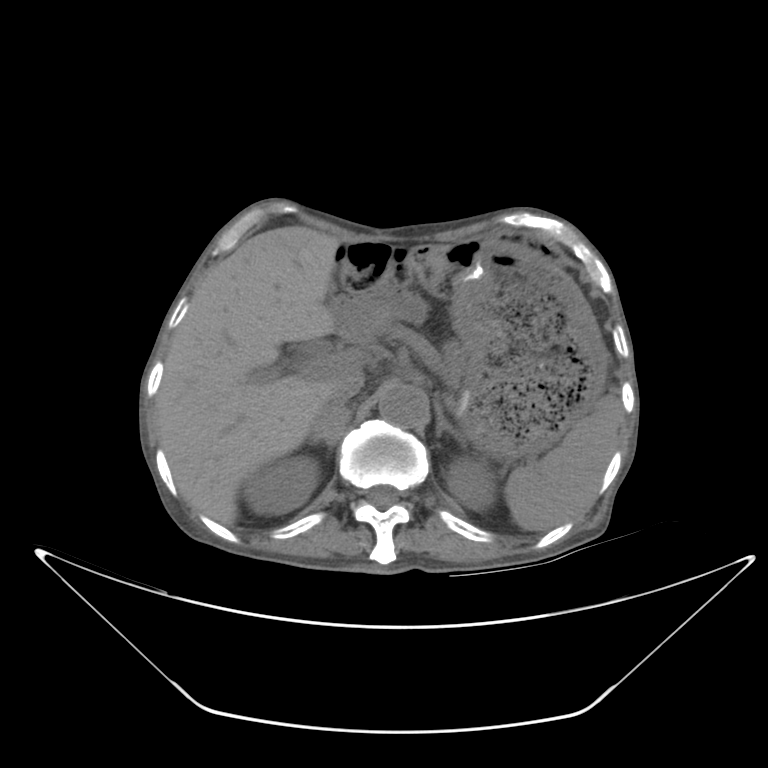 Computed tomography, abdomen · axial view · W/L 400/40 HU · 68-year-old male patient
Bounding boxes in pixels, one row per box: x1, y1 is the top-left corner and x2, y2 the bottom-right.
| organ | x1 | y1 | x2 | y2 |
|---|---|---|---|---|
| spleen | 505 | 396 | 621 | 530 |
| right kidney | 243 | 456 | 317 | 514 |
| left kidney | 447 | 459 | 491 | 507 |
| liver | 157 | 225 | 340 | 522 |
| stomach | 450 | 242 | 604 | 457 |
| aorta | 379 | 388 | 426 | 428 |
| inferior vena cava | 316 | 376 | 363 | 416 |
| pancreas | 443 | 342 | 460 | 387 |
| right adrenal gland | 310 | 407 | 351 | 445 |
| left adrenal gland | 434 | 402 | 468 | 450 |